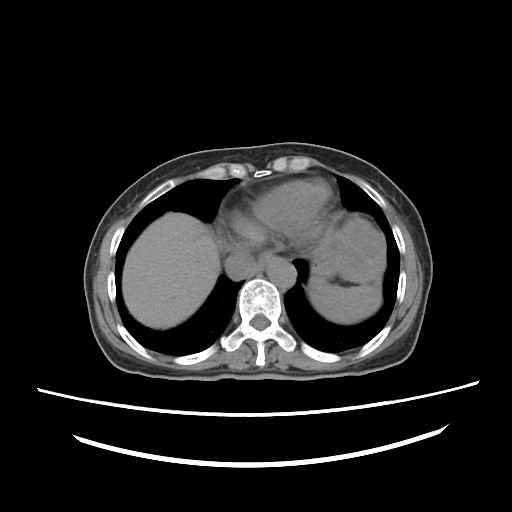

CT abdomen; axial view; 512x512 px; 58-year-old female patient; Aquilion ONE scanner
One row per box, in pixels: columns x1 and y1 give the top-left corner, x2 and y2 the bottom-right.
| organ | x1 | y1 | x2 | y2 |
|---|---|---|---|---|
| esophagus | 257 | 252 | 272 | 272 |
| spleen | 309 | 279 | 381 | 323 |
| stomach | 312 | 217 | 384 | 282 |
| liver | 122 | 212 | 220 | 328 |
| inferior vena cava | 224 | 251 | 256 | 279 |
| aorta | 265 | 256 | 296 | 289 |